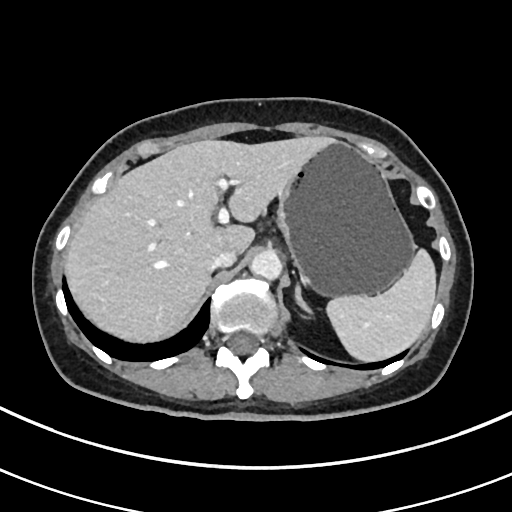
CT, abdomen/pelvis · axial view · W/L 400/40 HU · acquired on SOMATOM Force · 15 organs annotated in this scan (counted over the whole 3D scan, not this slice; an organ is boxed only where this slice passes through it)
{"organs":{"spleen":[326,249,436,361],"liver":[65,136,331,342],"stomach":[277,141,415,296],"aorta":[250,250,282,279],"inferior vena cava":[210,248,236,270],"left adrenal gland":[294,284,312,313]}}